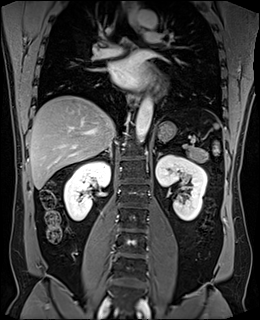 MRI, abdomen; coronal acquisition; scan has 13 labeled organs (that count is for the whole scan; organs this slice misses have no box)
<organs><organ name="spleen" x1="213" y1="123" x2="219" y2="128"/><organ name="right kidney" x1="64" y1="161" x2="110" y2="221"/><organ name="left kidney" x1="156" y1="155" x2="207" y2="220"/><organ name="esophagus" x1="129" y1="6" x2="140" y2="28"/><organ name="esophagus" x1="128" y1="91" x2="139" y2="105"/><organ name="liver" x1="29" y1="95" x2="115" y2="189"/><organ name="stomach" x1="157" y1="121" x2="176" y2="141"/><organ name="aorta" x1="135" y1="97" x2="153" y2="142"/><organ name="aorta" x1="136" y1="10" x2="157" y2="28"/><organ name="pancreas" x1="181" y1="144" x2="207" y2="162"/><organ name="right adrenal gland" x1="102" y1="146" x2="112" y2="158"/><organ name="left adrenal gland" x1="156" y1="153" x2="163" y2="159"/></organs>